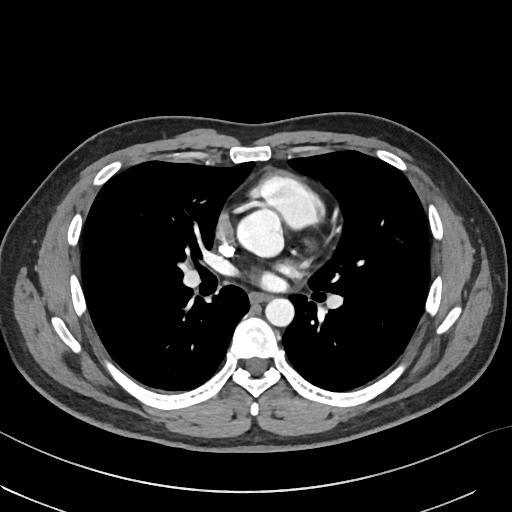

Chest-level CT slice, above the liver and spleen — axial view — soft-tissue window (W 400 / L 40) — 15 organs annotated in this scan (that count is for the whole scan; organs this slice misses have no box)
At this level of the chest no structure but the esophagus and the aorta has a label in this dataset, and those two are boxed only where they are labeled.
{"organs":{"esophagus":[249,292,268,302],"aorta":[[236,209,283,256],[265,297,294,326]]}}